CT, abdomen/pelvis · axial plane, index 48 · acquired on Aquilion ONE
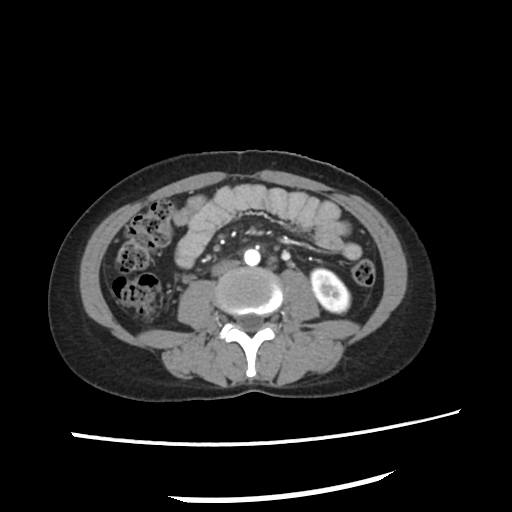 One row per box, in pixels: columns x1 and y1 give the top-left corner, x2 and y2 the bottom-right.
| organ | x1 | y1 | x2 | y2 |
|---|---|---|---|---|
| left kidney | 311 | 269 | 349 | 311 |
| aorta | 243 | 248 | 259 | 266 |
| inferior vena cava | 211 | 260 | 238 | 275 |